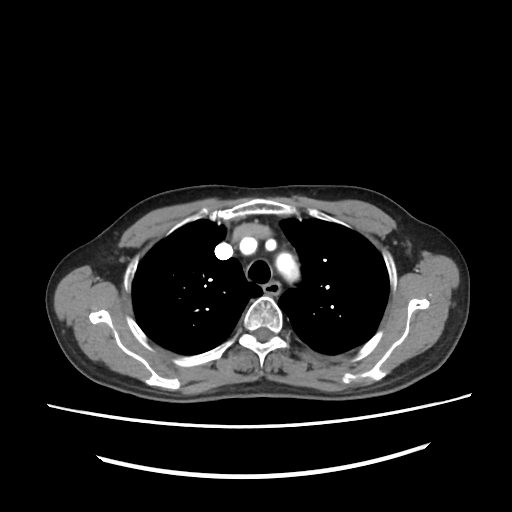
CT of the abdomen extending into the chest, slice through the chest · Axial slice 118/132 · 512x512 px · 67-year-old male patient · acquired on Aquilion ONE
On a slice this high in the chest, this dataset labels only the esophagus and the aorta, and each is boxed only where it is labeled; the heart, lungs and other chest structures are not labeled.
Boxes are (x1, y1, x2, y2) in pixels.
Organ bounding boxes:
- esophagus: (264, 283, 280, 293)
- aorta: (273, 253, 300, 280)